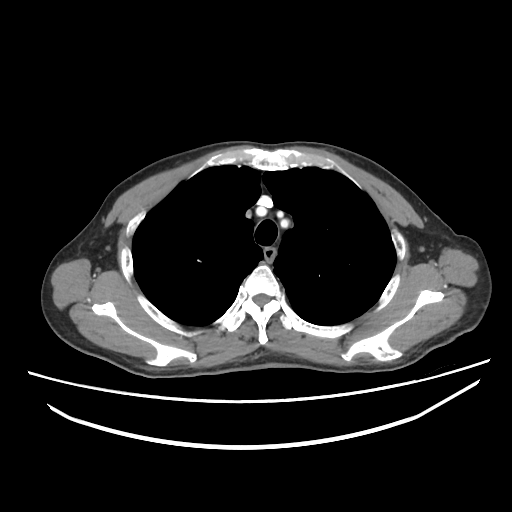
Chest-level slice from an abdominal CT that extends up into the chest — Axial slice 89/109 — soft-tissue window (W 400 / L 40)
At this level of the chest this dataset labels only the esophagus and the aorta, and each is boxed only where it is labeled; the heart and lungs are never labeled.
{"organs":{"esophagus":[264,247,275,260]}}